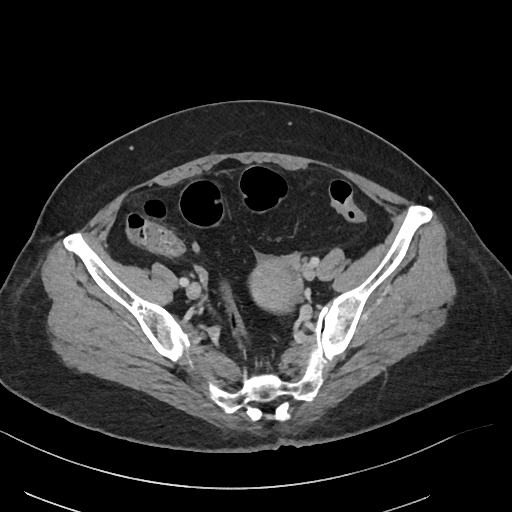 Computed tomography, abdomen · Axial slice 66/244
Box edges are left/top/right/bottom in pixels.
Organ bounding boxes:
- prostate/uterus: left=250, top=258, right=301, bottom=311